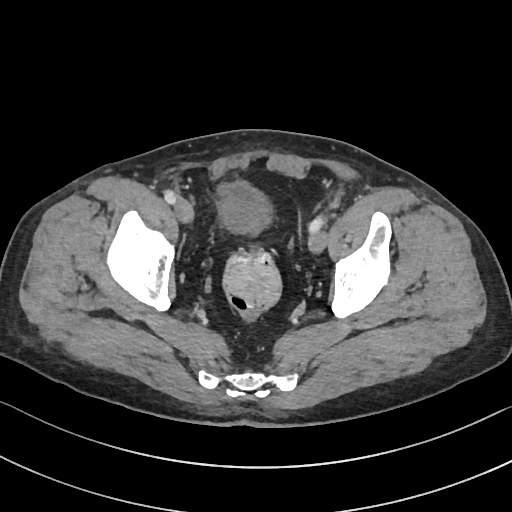
Computed tomography, abdomen — axial view — W/L 400/40 HU — 512x512 px — scan has 14 labeled organs (a whole-scan count: organs this slice does not pass through have no box)
Coordinates as <box>x1,y1,x2,y2</box> in pixels. 1 labeled organ on this slice — bladder at <box>218,182,271,233</box>.